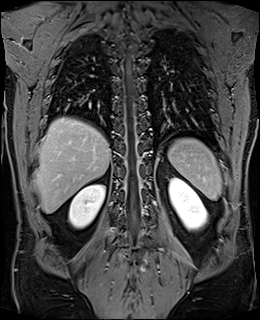
MRI, abdomen; Coronal slice 30/144; percentile-normalized; 13 organs annotated in this scan (that count is for the whole scan; organs this slice misses have no box)
{"organs":{"spleen":[168,138,221,201],"right kidney":[69,184,105,228],"left kidney":[168,178,207,230],"liver":[35,117,110,213]}}